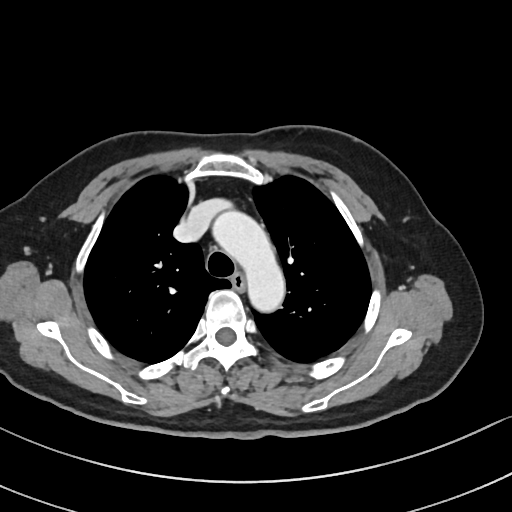 Chest-level slice from an abdominal CT that extends up into the chest; axial view; SOMATOM Force scanner
On a slice this high in the chest, this dataset labels only the esophagus and the aorta, and each is boxed only where it is labeled; the heart, lungs and other chest structures are not labeled.
<organs><organ name="esophagus" x1="232" y1="274" x2="245" y2="290"/><organ name="aorta" x1="211" y1="209" x2="285" y2="314"/></organs>